CT abdomen · axial plane, index 56 · abdomen soft-tissue window · acquired on Brilliance16
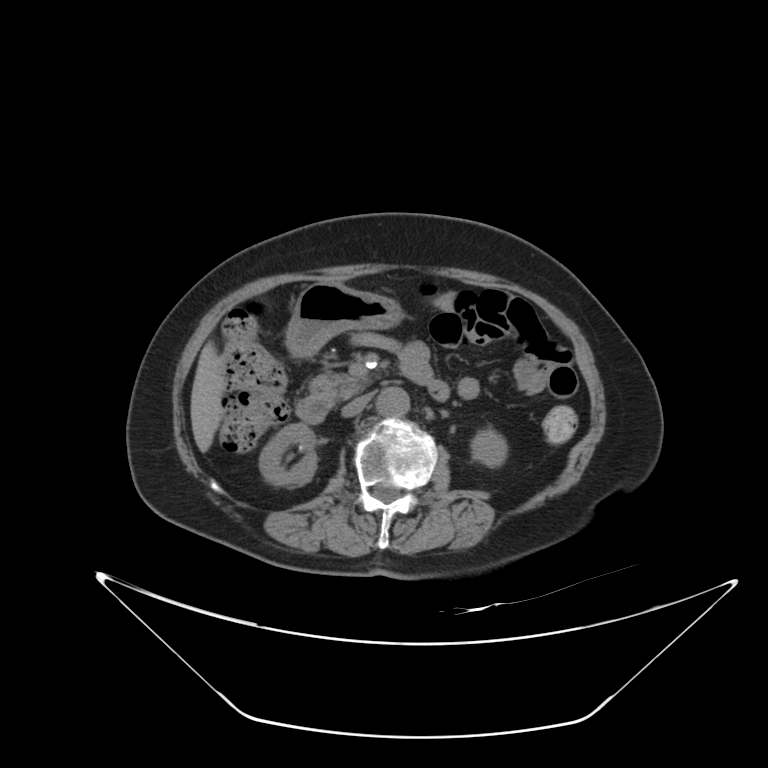
Boxes are (x1, y1, x2, y2) in pixels.
Organ bounding boxes:
- right kidney: (259, 423, 316, 485)
- left kidney: (471, 429, 507, 466)
- liver: (190, 342, 225, 452)
- stomach: (286, 283, 403, 355)
- aorta: (376, 388, 409, 417)
- inferior vena cava: (342, 392, 372, 417)
- pancreas: (309, 371, 372, 399)
- duodenum: (295, 365, 448, 423)